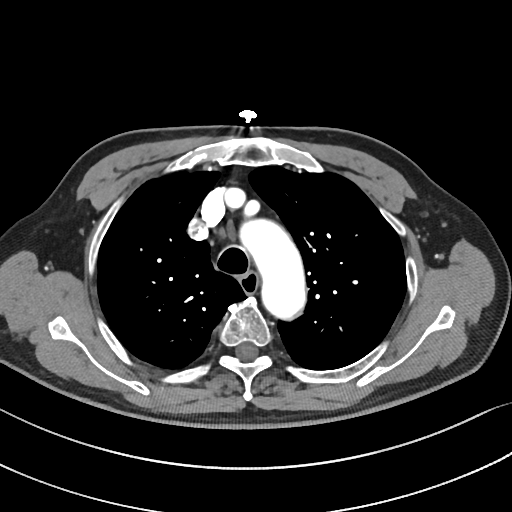

Chest-level slice from an abdominal CT that extends up into the chest; axial view; SOMATOM Force scanner
At this level of the chest this dataset labels only the esophagus and the aorta, and each is boxed only where it is labeled; the heart and lungs are never labeled.
Boxes are (x1, y1, x2, y2) in pixels.
Organ bounding boxes:
- esophagus: (240, 272, 258, 294)
- aorta: (236, 209, 306, 320)